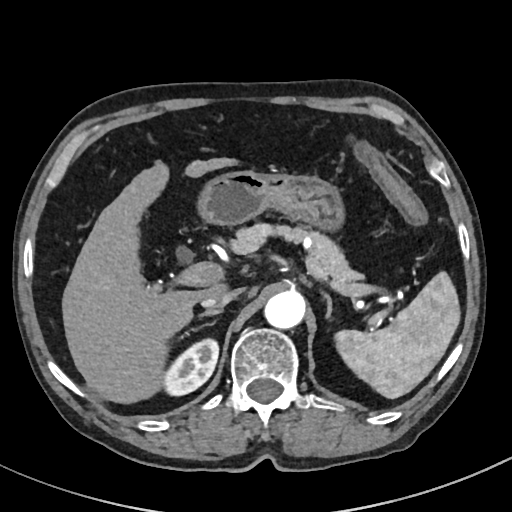
Abdominal CT. axial view. abdomen soft-tissue window
Box edges are left/top/right/bottom in pixels. The annotated organs in this slice are: aorta at left=265, top=288, right=306, bottom=328, stomach at left=197, top=168, right=341, bottom=225, right adrenal gland at left=200, top=310, right=221, bottom=317, left adrenal gland at left=322, top=292, right=332, bottom=318, inferior vena cava at left=202, top=288, right=243, bottom=307, liver at left=62, top=158, right=240, bottom=403, spleen at left=335, top=272, right=461, bottom=398, pancreas at left=234, top=224, right=361, bottom=300, right kidney at left=164, top=339, right=219, bottom=397.